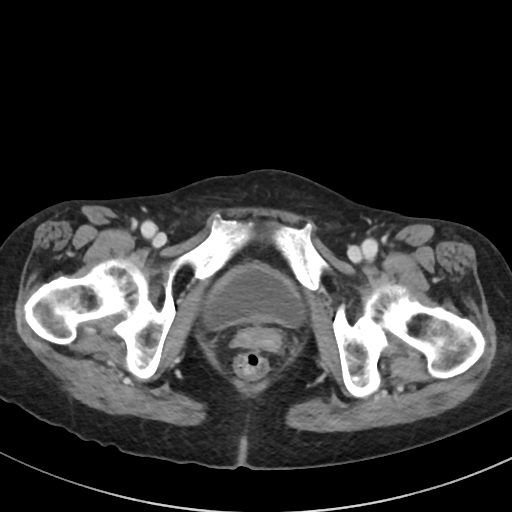
CT abdomen; axial view; soft-tissue window (W 400 / L 40); 512x512 px
Bounding boxes as [x1, y1, x2, y2] in pixel coordinates. 2 labeled organs on this slice — prostate/uterus at [235, 328, 280, 349]; bladder at [202, 263, 305, 329].